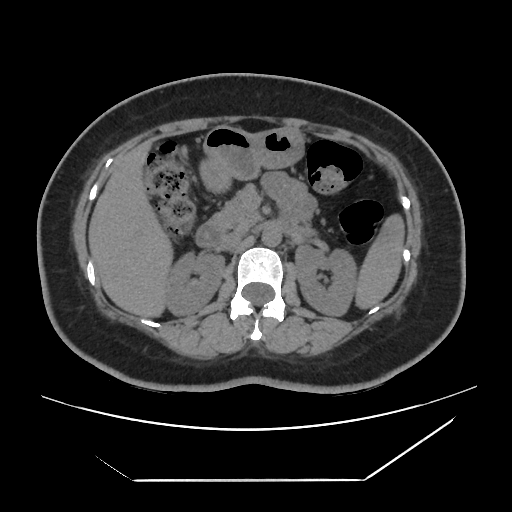
CT, abdomen/pelvis; axial view; abdomen soft-tissue window; SOMATOM Force scanner; 15 organs annotated in this scan (counted over the whole 3D scan, not this slice; an organ is boxed only where this slice passes through it)
<organs><organ name="spleen" x1="354" y1="213" x2="405" y2="310"/><organ name="right kidney" x1="166" y1="253" x2="224" y2="315"/><organ name="left kidney" x1="295" y1="245" x2="355" y2="316"/><organ name="liver" x1="88" y1="140" x2="174" y2="318"/><organ name="stomach" x1="198" y1="126" x2="304" y2="194"/><organ name="aorta" x1="261" y1="228" x2="281" y2="247"/><organ name="inferior vena cava" x1="219" y1="229" x2="247" y2="248"/><organ name="pancreas" x1="210" y1="183" x2="259" y2="230"/><organ name="duodenum" x1="195" y1="222" x2="224" y2="248"/></organs>